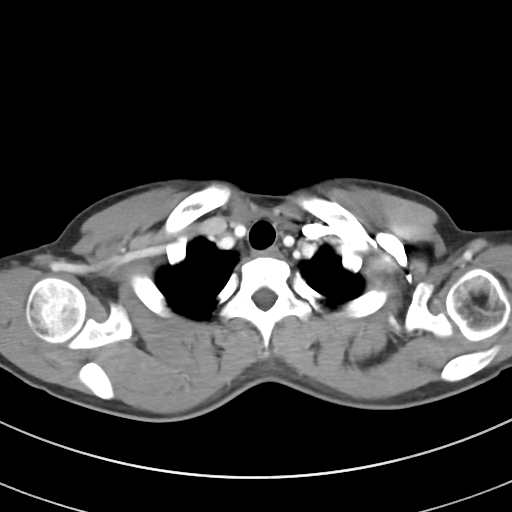

Chest-level slice from an abdominal CT that extends up into the chest · axial view
At this level of the chest this dataset labels only the esophagus and the aorta, and each is boxed only where it is labeled; the heart and lungs are never labeled.
Organ boxes in pixel coordinates; each row gives the top-left (x1, y1) and bottom-right (x2, y2) corners.
| organ | x1 | y1 | x2 | y2 |
|---|---|---|---|---|
| esophagus | 251 | 247 | 280 | 257 |